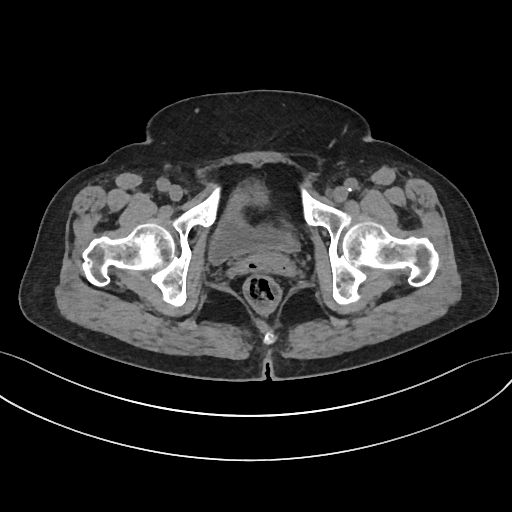

CT abdomen — axial plane, index 18 — soft-tissue window
One row per box, in pixels: columns x1 and y1 give the top-left corner, x2 and y2 the bottom-right.
| organ | x1 | y1 | x2 | y2 |
|---|---|---|---|---|
| bladder | 209 | 184 | 298 | 264 |